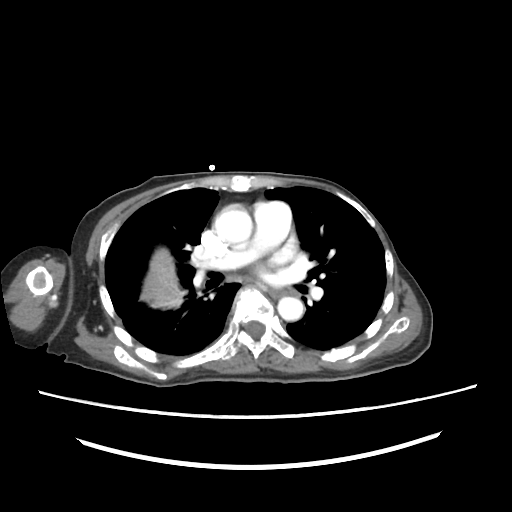 CT, abdomen/pelvis · axial view · soft-tissue window
<organs><organ name="esophagus" x1="270" y1="290" x2="281" y2="299"/><organ name="liver" x1="141" y1="248" x2="180" y2="308"/><organ name="aorta" x1="214" y1="204" x2="252" y2="245"/><organ name="aorta" x1="277" y1="296" x2="303" y2="321"/></organs>